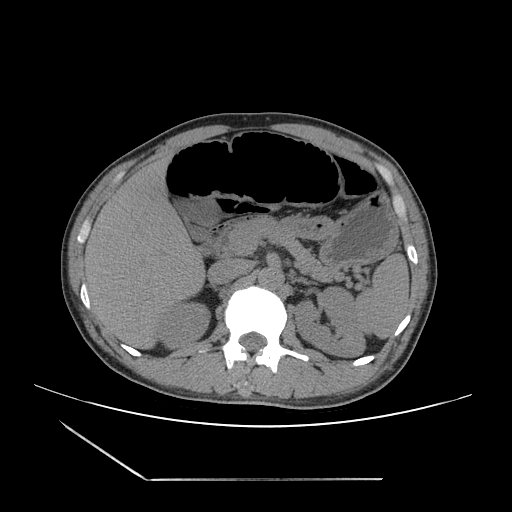

CT abdomen. axial view. SOMATOM Force scanner
{"organs":{"stomach":[279,192,398,267],"liver":[84,153,205,348],"aorta":[258,267,283,290],"duodenum":[202,229,221,253],"left kidney":[295,286,365,357],"gall bladder":[174,198,219,241],"pancreas":[222,216,344,281],"right kidney":[156,302,209,348],"left adrenal gland":[298,277,309,283],"spleen":[355,253,409,338],"inferior vena cava":[208,259,248,284]}}